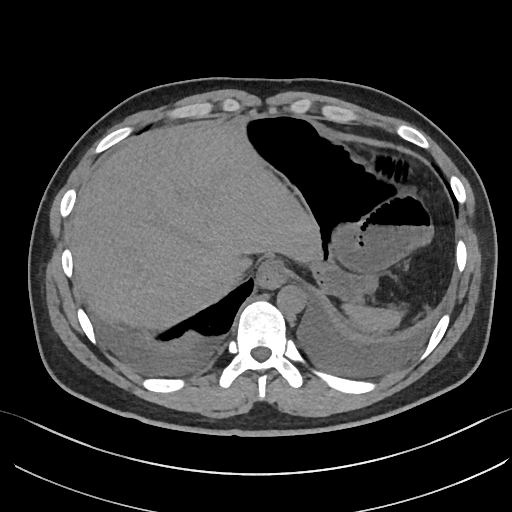
Computed tomography, abdomen — Axial slice 203/234 — W/L 400/40 HU
Bounding boxes as [x1, y1, x2, y2] in pixel coordinates.
inferior vena cava: [216, 262, 244, 286]
stomach: [243, 116, 410, 300]
aorta: [277, 285, 306, 315]
liver: [69, 120, 320, 329]
spleen: [342, 302, 402, 332]
esophagus: [257, 260, 286, 288]